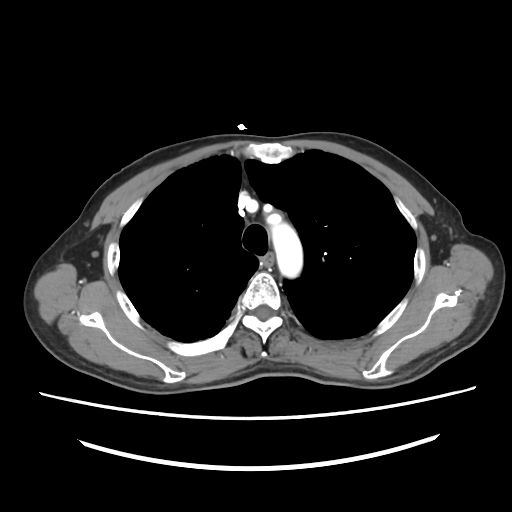 Chest-level slice from an abdominal CT that extends up into the chest — axial view — 65-year-old male patient
At this level of the chest no structure but the esophagus and the aorta has a label in this dataset, and those two are boxed only where they are labeled.
{"organs":{"esophagus":[263,254,274,265],"aorta":[271,222,302,278]}}